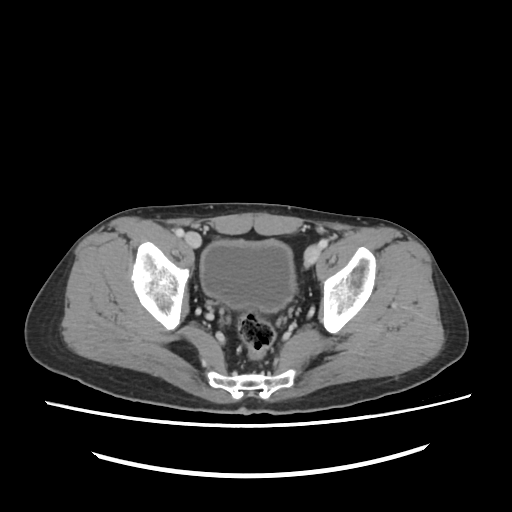

CT abdomen. axial view. scan has 15 labeled organs (a whole-scan count: organs this slice does not pass through have no box)
<organs><organ name="bladder" x1="198" y1="239" x2="294" y2="309"/></organs>